Abdominal CT. axial plane, index 79. W/L 400/40 HU. acquired on SOMATOM Force. scan has 15 labeled organs (a whole-scan count: organs this slice does not pass through have no box)
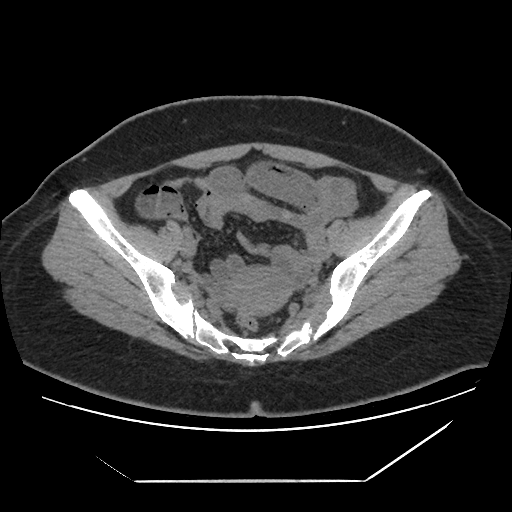
Boxes: x1:y1:x2:y2 in pixels.
Organ bounding boxes:
- duodenum: 251:267:262:267
- prostate/uterus: 221:268:290:316